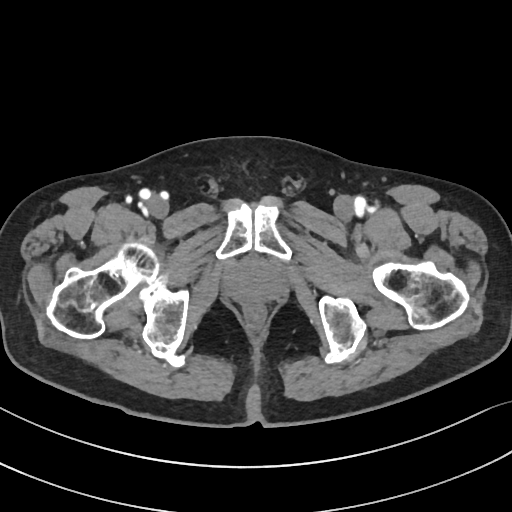

CT abdomen — axial plane, index 21 — W/L 400/40 HU — 512x512 px — scan has 15 labeled organs (counted over the whole 3D scan, not this slice; an organ is boxed only where this slice passes through it)
Coordinates as <box>x1,y1,x2,y2</box> in pixels. The annotated organs in this slice are: prostate/uterus at <box>226,263,281,302</box>.